MRI, abdomen · axial view · percentile-normalized
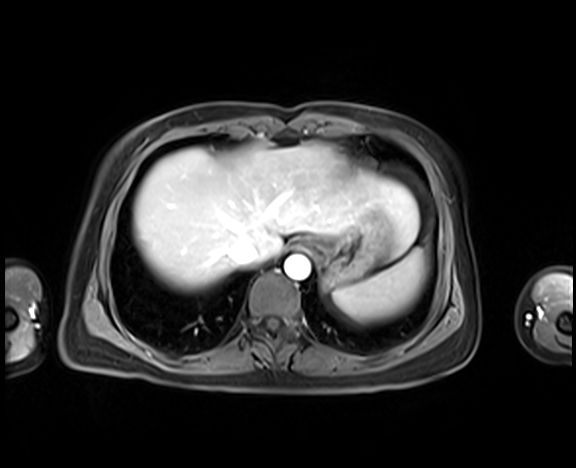

Each box given as x1,y1,x2,y2. Labeled organs on this slice: spleen at x1=333, y1=249, x2=428, y2=322, esophagus at x1=291, y1=238, x2=312, y2=250, liver at x1=133, y1=144, x2=419, y2=291, stomach at x1=311, y1=219, x2=388, y2=288, aorta at x1=284, y1=255, x2=310, y2=280, inferior vena cava at x1=229, y1=240, x2=257, y2=264.